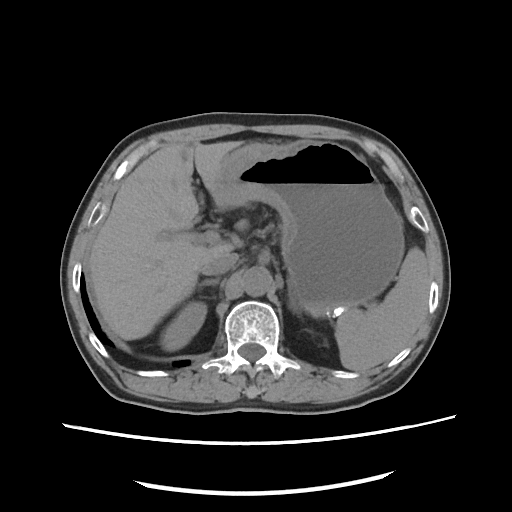
Computed tomography, abdomen — axial plane, index 63 — soft-tissue window — 68-year-old male patient — acquired on Aquilion ONE — 15 organs annotated in this scan (a whole-scan count: organs this slice does not pass through have no box)
Box edges are left/top/right/bottom in pixels.
spleen: left=335, top=247, right=429, bottom=370
right kidney: left=164, top=301, right=206, bottom=350
liver: left=89, top=141, right=241, bottom=339
stomach: left=213, top=140, right=404, bottom=316
aorta: left=241, top=266, right=272, bottom=296
inferior vena cava: left=201, top=251, right=238, bottom=275
right adrenal gland: left=199, top=278, right=218, bottom=286
left adrenal gland: left=288, top=281, right=296, bottom=311